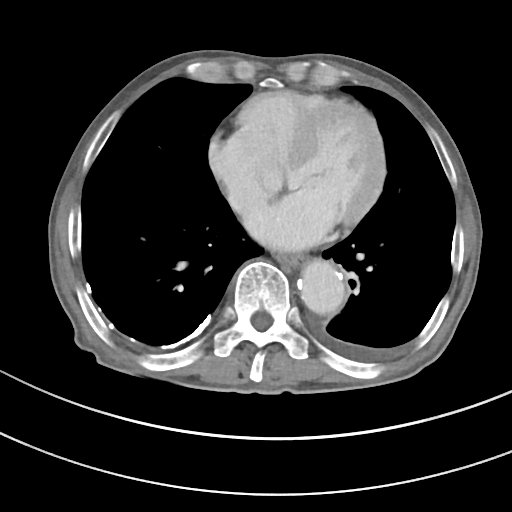
CT of the abdomen reaching into the lower chest, slice just above the liver and spleen · axial view · 512x512 px
The heart and lungs are never labeled in this dataset, so they have no box on this slice. Bounding boxes as [x1, y1, x2, y2] in pixel coordinates. Labeled organs on this slice: esophagus at [276, 253, 305, 269], aorta at [298, 260, 345, 314].